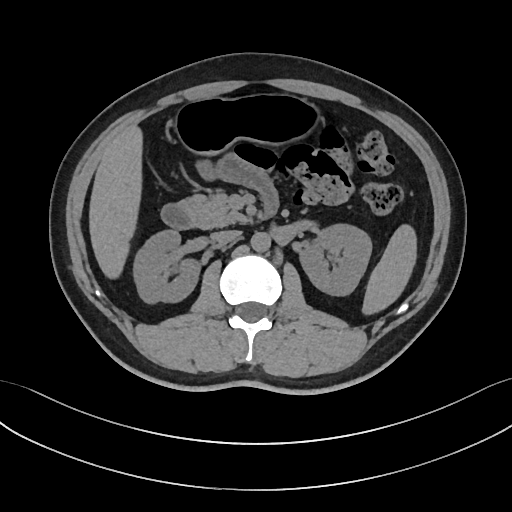

CT, abdomen/pelvis. axial view
Bounding boxes as [x1, y1, x2, y2] in pixel coordinates.
Organ bounding boxes:
- spleen: [362, 224, 417, 314]
- right kidney: [134, 231, 201, 304]
- left kidney: [299, 225, 371, 295]
- liver: [88, 125, 143, 278]
- stomach: [173, 94, 322, 156]
- aorta: [250, 232, 270, 252]
- inferior vena cava: [211, 230, 239, 243]
- pancreas: [179, 188, 248, 228]
- duodenum: [161, 196, 277, 229]